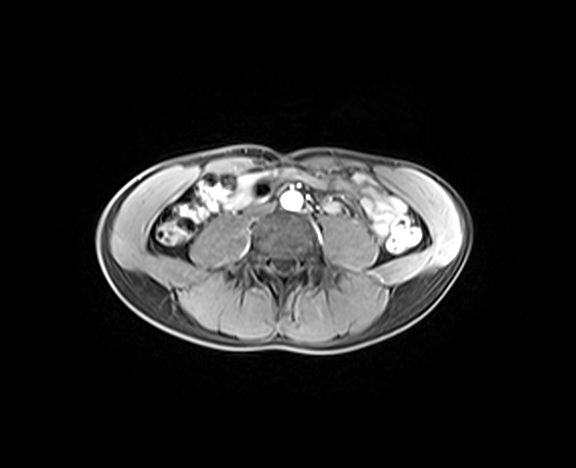 Abdominal MR. Axial slice 6/72. percentile-normalized. 576x468 px
Each box given as x1,y1,x2,y2.
Organ bounding boxes:
- inferior vena cava: x1=246, y1=203, x2=276, y2=217
- aorta: x1=281, y1=192, x2=302, y2=209